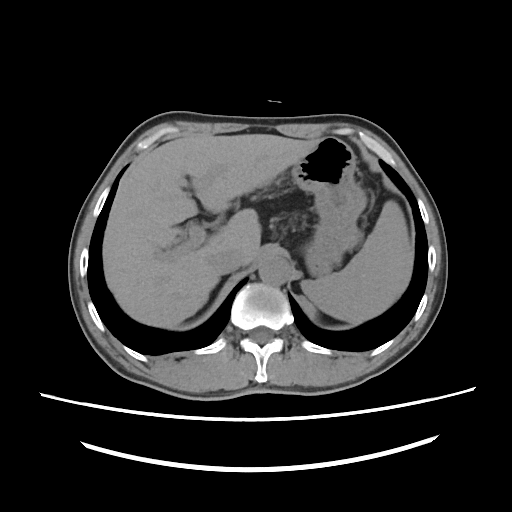

Abdominal CT — axial view — scan has 15 labeled organs (a whole-scan count: organs this slice does not pass through have no box)
Boxes: x1:y1:x2:y2 in pixels.
spleen: 301:200:413:323
liver: 103:133:321:327
stomach: 292:135:367:276
aorta: 258:255:291:285
inferior vena cava: 207:246:244:274